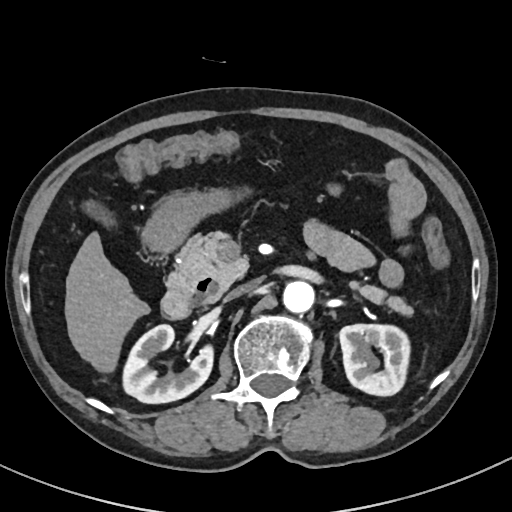
Computed tomography, abdomen. Axial slice 156/303. scan has 15 labeled organs (counted over the whole 3D scan, not this slice; an organ is boxed only where this slice passes through it)
Boxes: x1:y1:x2:y2 in pixels.
Organ bounding boxes:
- right kidney: 124:324:214:403
- left kidney: 340:323:410:396
- gall bladder: 82:201:114:229
- liver: 64:233:151:371
- stomach: 140:186:233:257
- aorta: 281:281:313:313
- inferior vena cava: 224:282:253:301
- pancreas: 179:230:412:315
- duodenum: 161:270:220:317